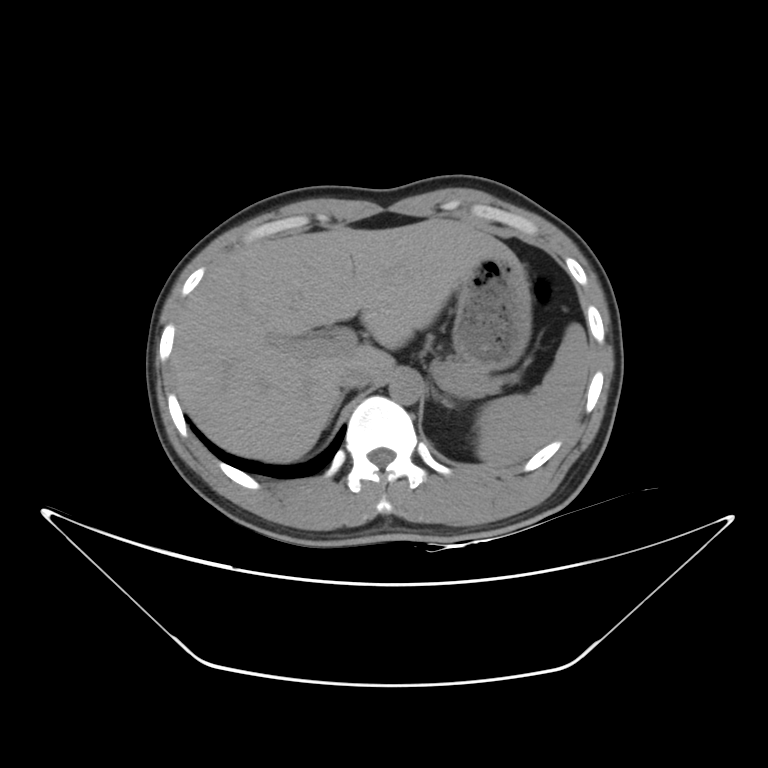

Computed tomography, abdomen — Axial slice 79/96 — W/L 400/40 HU — 37-year-old male patient
<organs><organ name="right adrenal gland" x1="334" y1="391" x2="345" y2="414"/><organ name="left adrenal gland" x1="431" y1="387" x2="453" y2="407"/><organ name="stomach" x1="452" y1="257" x2="532" y2="371"/><organ name="liver" x1="172" y1="218" x2="515" y2="462"/><organ name="inferior vena cava" x1="338" y1="364" x2="373" y2="389"/><organ name="pancreas" x1="436" y1="355" x2="494" y2="385"/><organ name="aorta" x1="389" y1="372" x2="421" y2="404"/><organ name="spleen" x1="476" y1="322" x2="590" y2="466"/></organs>